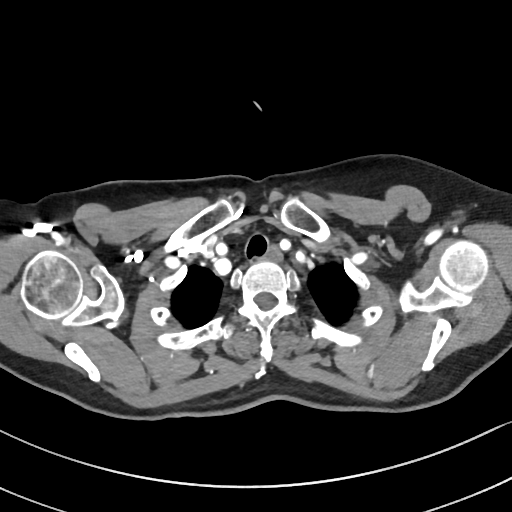 Chest-level CT slice, above the liver and spleen. axial view. 512x512 px. scan has 15 labeled organs (counted over the whole 3D scan, not this slice; an organ is boxed only where this slice passes through it)
On a slice this high in the chest, this dataset labels only the esophagus and the aorta, and each is boxed only where it is labeled; the heart, lungs and other chest structures are not labeled.
Coordinates as <box>x1,y1,x2,y2</box> in pixels.
esophagus: <box>264,244,283,262</box>